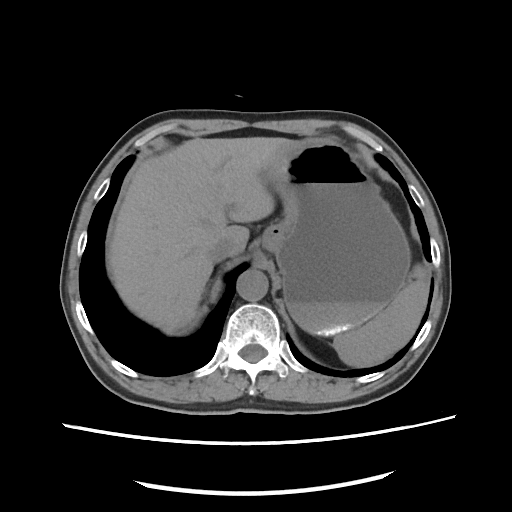

Abdominal CT; axial view; soft-tissue window (W 400 / L 40); scan has 15 labeled organs (that count is for the whole scan; organs this slice misses have no box)
Box edges are left/top/right/bottom in pixels. The annotated organs in this slice are: aorta at left=236, top=269, right=268, bottom=301, inferior vena cava at left=208, top=240, right=231, bottom=263, liver at left=107, top=137, right=290, bottom=332, spleen at left=304, top=265, right=428, bottom=367, stomach at left=261, top=139, right=410, bottom=334.